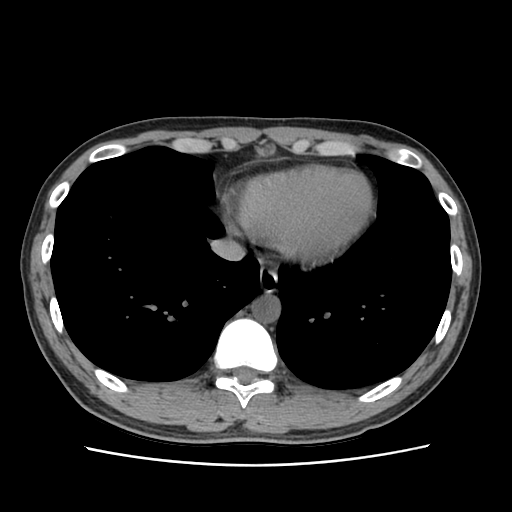

Abdominal CT; this slice is in the lower chest, just above the liver · axial view · 15 organs annotated in this scan (counted over the whole 3D scan, not this slice; an organ is boxed only where this slice passes through it)
The heart and lungs are never labeled in this dataset, so they have no box on this slice.
Box edges are left/top/right/bottom in pixels.
Organ bounding boxes:
- inferior vena cava: left=212, top=240, right=244, bottom=261
- aorta: left=252, top=295, right=280, bottom=323
- esophagus: left=258, top=271, right=278, bottom=294